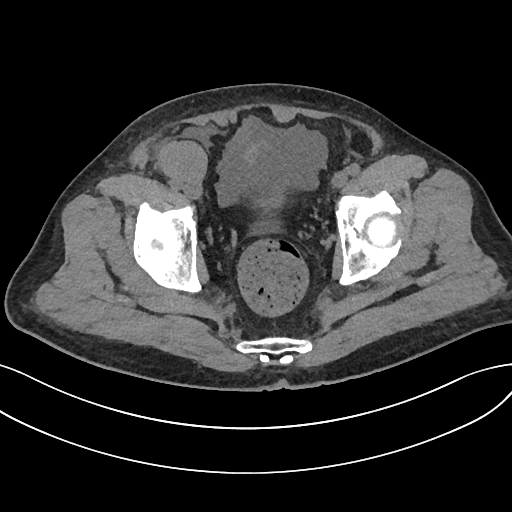

CT abdomen. axial view
Boxes: x1:y1:x2:y2 in pixels.
bladder: 258:194:283:210